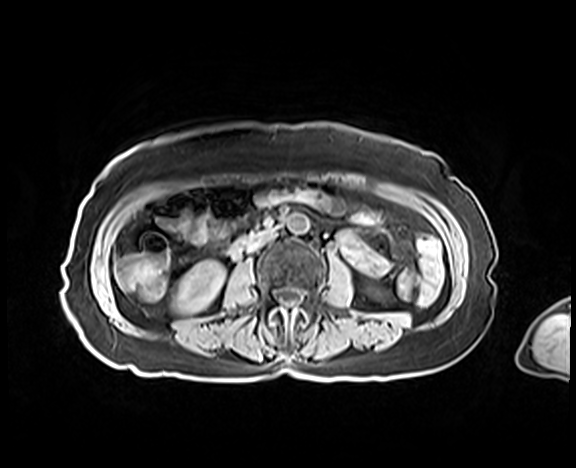

Abdominal MRI. axial view. percentile-normalized. 576x468 px
Each box given as x1,y1,x2,y2.
right kidney: x1=173, y1=260, x2=225, y2=313
left kidney: x1=370, y1=286, x2=384, y2=300
aorta: x1=286, y1=213, x2=309, y2=234
inferior vena cava: x1=248, y1=229, x2=276, y2=250
duodenum: x1=232, y1=237, x2=246, y2=249